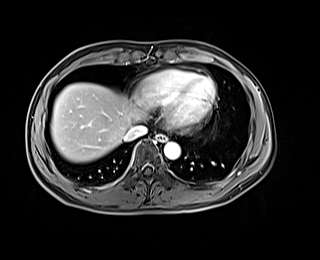 Magnetic resonance imaging, abdomen · axial view
Box edges are left/top/right/bottom in pixels.
esophagus: left=155, top=134, right=166, bottom=141
liver: left=51, top=83, right=139, bottom=161
inferior vena cava: left=124, top=125, right=147, bottom=141
aorta: left=164, top=142, right=180, bottom=159